CT abdomen. axial plane, index 164. soft-tissue window. acquired on SOMATOM Force
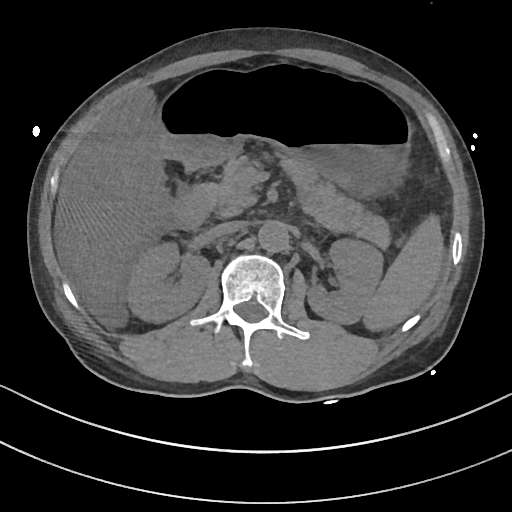
Bounding boxes as [x1, y1, x2, y2] in pixel coordinates.
spleen: [364, 216, 442, 330]
right kidney: [125, 244, 207, 322]
left kidney: [308, 238, 384, 324]
liver: [57, 90, 166, 288]
stomach: [154, 70, 409, 191]
aorta: [258, 219, 288, 251]
inferior vena cava: [208, 221, 245, 237]
pancreas: [193, 156, 391, 247]
duodenum: [170, 189, 209, 230]